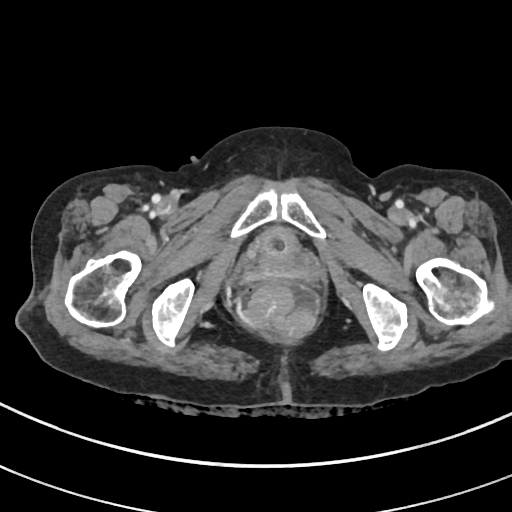
Abdominal CT — axial view — abdomen soft-tissue window — 15 organs annotated in this scan (a whole-scan count: organs this slice does not pass through have no box)
Box edges are left/top/right/bottom in pixels.
bladder: left=256, top=227, right=299, bottom=258